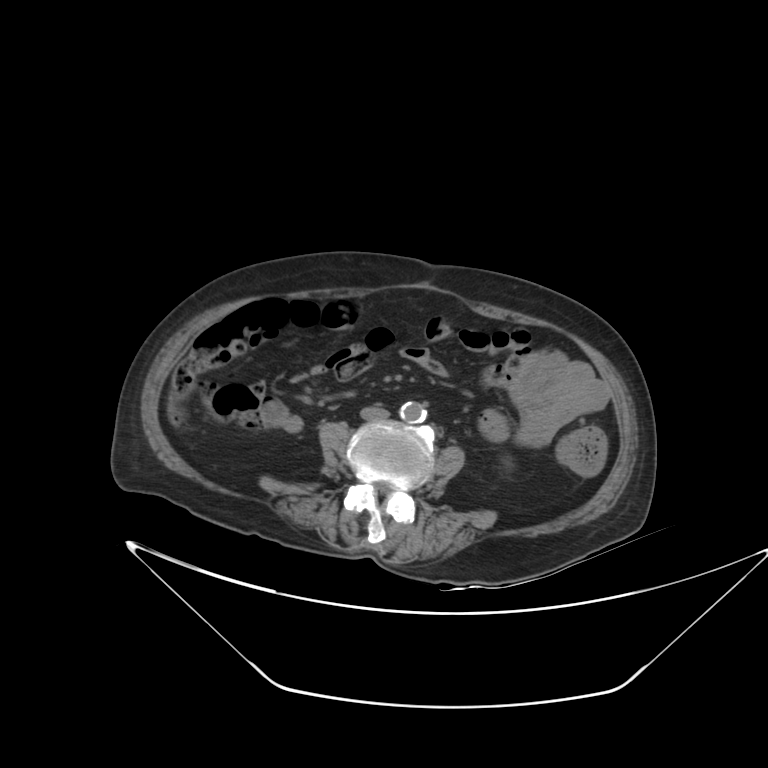 CT, abdomen/pelvis; axial view; 768x768 px; 80-year-old female patient
{"organs":{"aorta":[400,401,426,423],"inferior vena cava":[361,408,388,418]}}